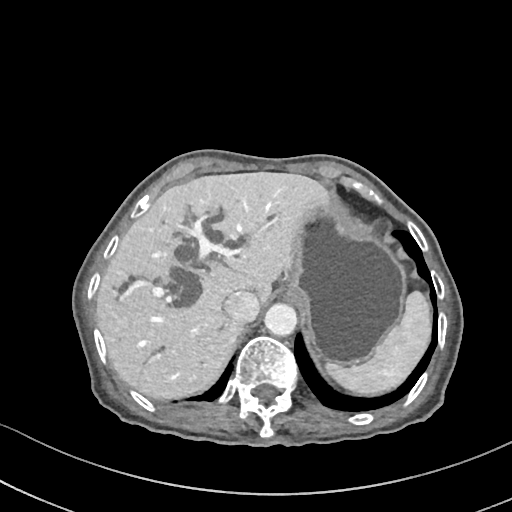
Abdominal CT · axial view · soft-tissue window · 15 organs annotated in this scan (that count is for the whole scan; organs this slice misses have no box)
Boxes: x1:y1:x2:y2 in pixels.
spleen: 324:291:432:397
liver: 96:172:327:398
stomach: 284:192:407:364
aorta: 264:303:297:336
inferior vena cava: 223:291:259:322